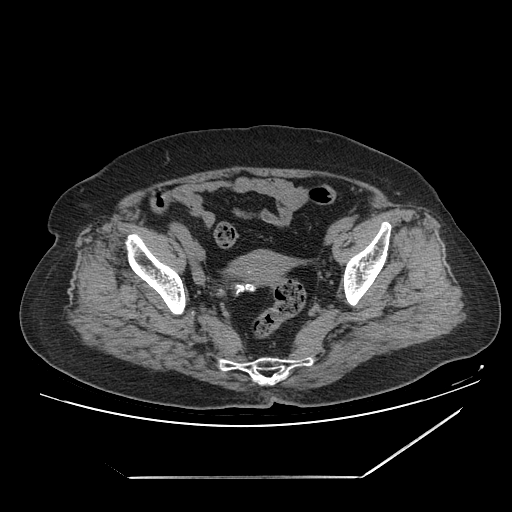
Abdominal CT. axial view. soft-tissue window. SOMATOM Force scanner
{"organs":{"prostate/uterus":[233,250,289,284]}}